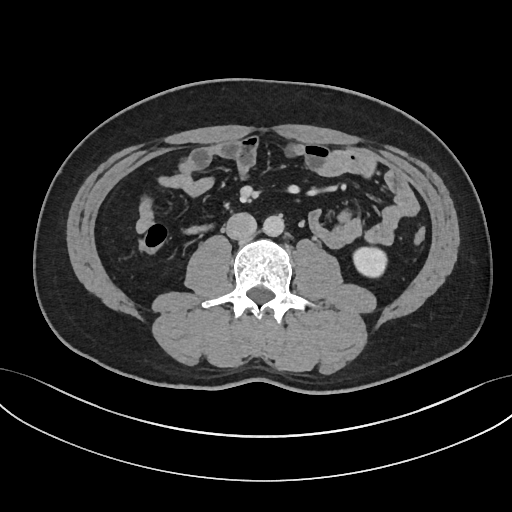
Computed tomography, abdomen · axial view
Bounding boxes as [x1, y1, x2, y2] in pixel coordinates.
Organ bounding boxes:
- left kidney: [353, 247, 387, 277]
- aorta: [263, 215, 284, 236]
- inferior vena cava: [225, 212, 256, 239]